Chest-level CT slice, above the liver and spleen. Axial slice 263/279. soft-tissue window, W/L 400/40. SOMATOM Force scanner
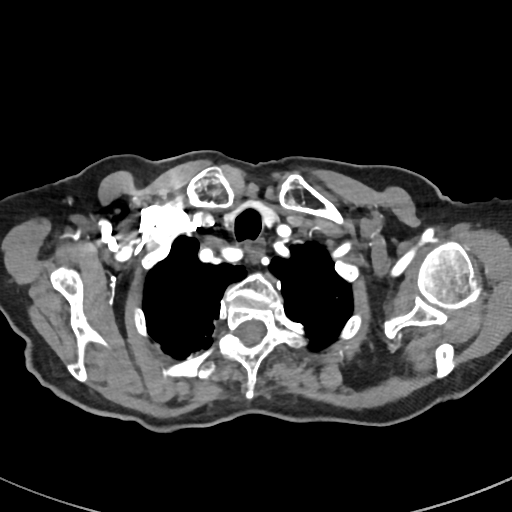 At this level of the chest this dataset labels only the esophagus and the aorta, and each is boxed only where it is labeled; the heart and lungs are never labeled.
{"organs":{"esophagus":[244,247,261,263]}}